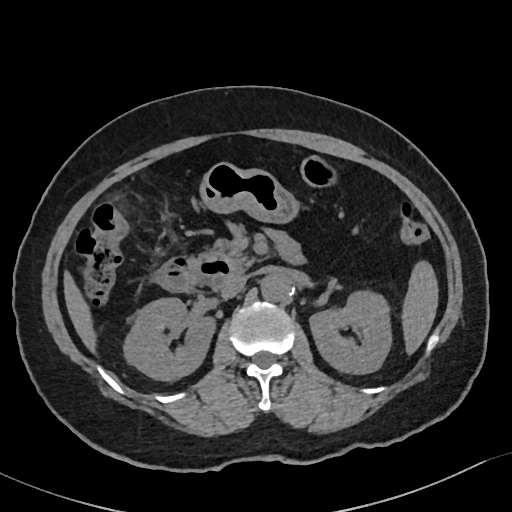 CT abdomen. axial view. W/L 400/40 HU. scan has 15 labeled organs (counted over the whole 3D scan, not this slice; an organ is boxed only where this slice passes through it)
Boxes are (x1, y1, x2, y2) in pixels.
spleen: (403, 261, 438, 355)
right kidney: (125, 298, 217, 380)
left kidney: (310, 292, 391, 374)
liver: (64, 270, 94, 354)
stomach: (199, 162, 299, 224)
aorta: (261, 273, 292, 301)
inferior vena cava: (221, 274, 247, 297)
pancreas: (205, 237, 253, 272)
duodenum: (158, 255, 232, 291)